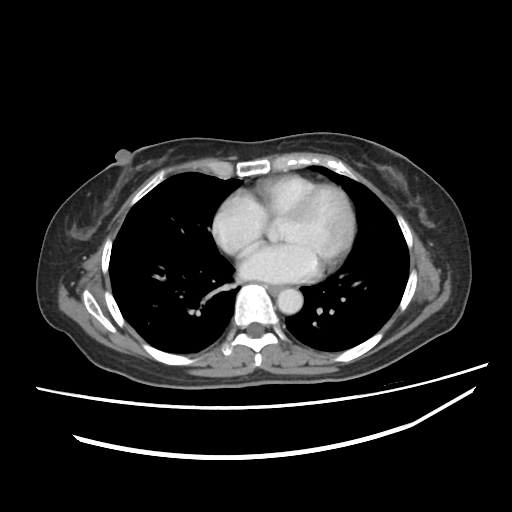

CT of the abdomen reaching into the lower chest, slice just above the liver and spleen · axial view · 512x512 px
No part of the heart or lungs is labeled in this dataset, so neither has a box here. Box edges are left/top/right/bottom in pixels. The annotated organs in this slice are: esophagus at left=266, top=285, right=281, bottom=293, aorta at left=277, top=288, right=303, bottom=314.